CT, abdomen/pelvis — axial view — soft-tissue window — acquired on SOMATOM Force
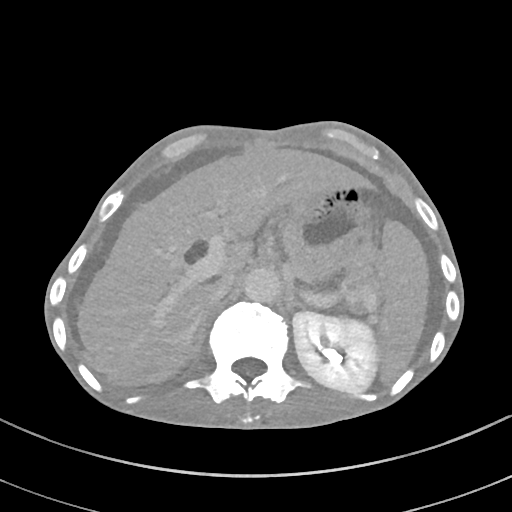 <organs><organ name="spleen" x1="378" y1="221" x2="428" y2="381"/><organ name="left kidney" x1="292" y1="311" x2="378" y2="393"/><organ name="liver" x1="78" y1="149" x2="370" y2="380"/><organ name="stomach" x1="279" y1="194" x2="375" y2="280"/><organ name="aorta" x1="243" y1="268" x2="280" y2="302"/><organ name="inferior vena cava" x1="203" y1="273" x2="233" y2="304"/><organ name="pancreas" x1="336" y1="279" x2="372" y2="303"/><organ name="left adrenal gland" x1="284" y1="283" x2="304" y2="310"/></organs>